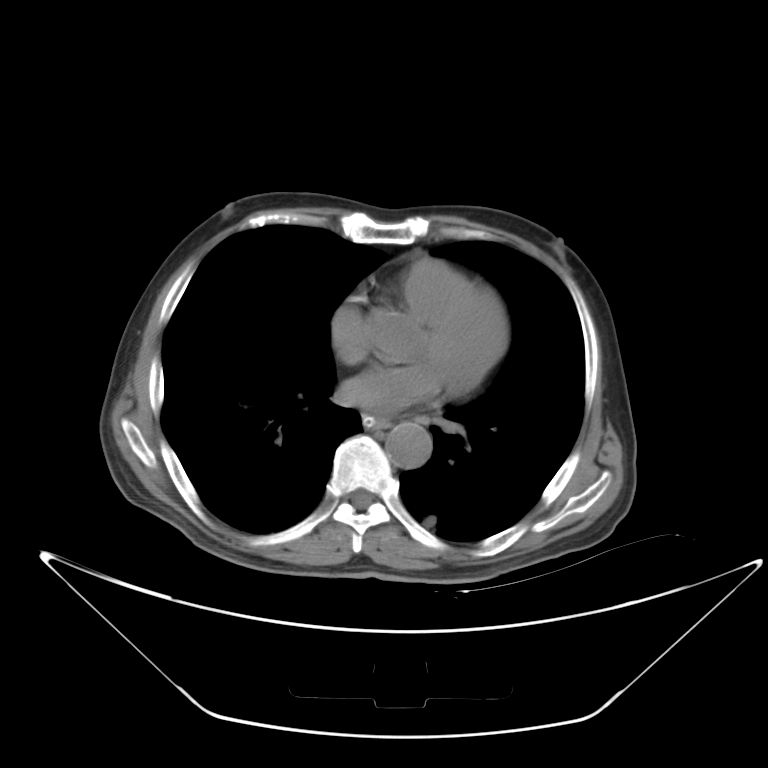 Lower-chest slice from an abdominal CT, just above the liver and spleen · axial view · 768x768 px · 15 organs annotated in this scan (that count is for the whole scan; organs this slice misses have no box)
No part of the heart or lungs is labeled in this dataset, so neither has a box here.
Boxes: x1:y1:x2:y2 in pixels.
esophagus: 361:413:389:429
aorta: 385:422:432:468